CT, abdomen/pelvis; axial view; soft-tissue window (W 400 / L 40); 512x512 px; Aquilion ONE scanner
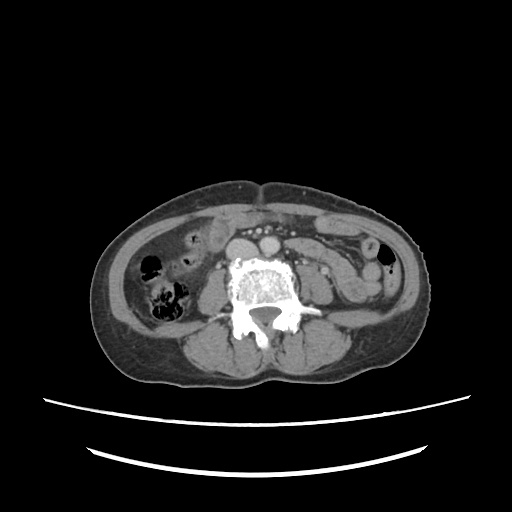

Bounding boxes as [x1, y1, x2, y2] in pixel coordinates.
aorta: [260, 236, 279, 254]
inferior vena cava: [228, 238, 257, 260]